CT abdomen. axial view. scan has 15 labeled organs (a whole-scan count: organs this slice does not pass through have no box)
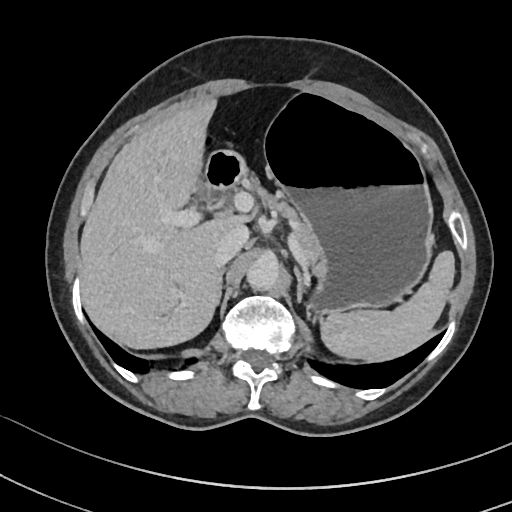 Box edges are left/top/right/bottom in pixels.
spleen: left=322, top=252, right=454, bottom=361
gall bladder: left=192, top=185, right=208, bottom=203
liver: left=80, top=98, right=250, bottom=348
stomach: left=237, top=95, right=431, bottom=310
aorta: left=247, top=253, right=279, bottom=288
inferior vena cava: left=214, top=225, right=248, bottom=265
pancreas: left=251, top=184, right=323, bottom=267
right adrenal gland: left=216, top=267, right=226, bottom=304
left adrenal gland: left=294, top=266, right=304, bottom=302
duodenum: left=204, top=150, right=246, bottom=194